CT abdomen — axial plane, index 69
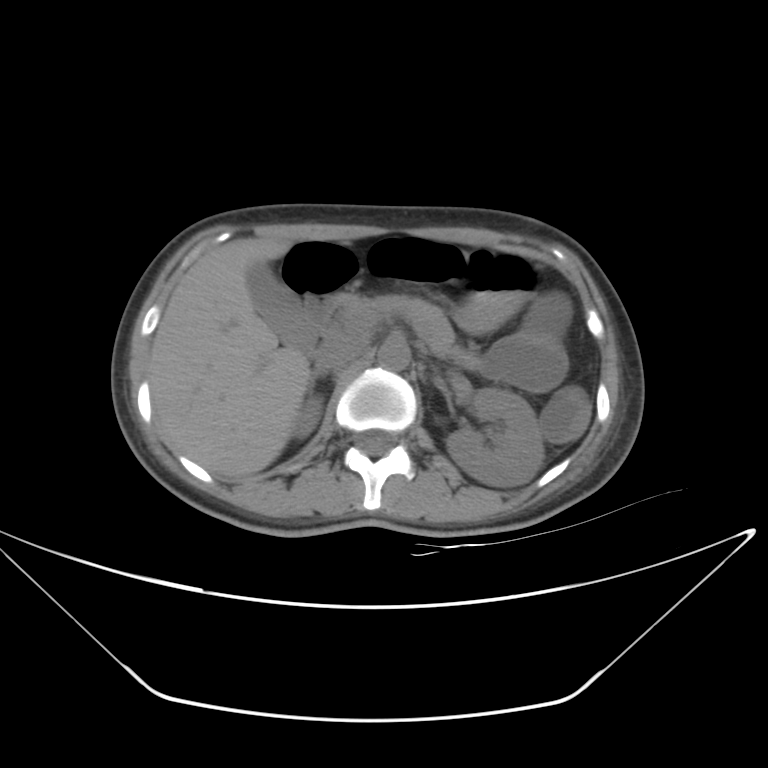
Bounding boxes as [x1, y1, x2, y2] in pixel coordinates. 10 labeled organs on this slice — inferior vena cava at [314, 337, 364, 371]; left kidney at [445, 388, 544, 487]; stomach at [456, 256, 538, 332]; right kidney at [293, 396, 322, 437]; liver at [150, 238, 310, 478]; gall bladder at [245, 260, 316, 349]; pancreas at [337, 295, 455, 354]; right adrenal gland at [310, 371, 325, 389]; duodenum at [301, 293, 344, 336]; aorta at [378, 342, 409, 370].